Chest-level slice from an abdominal CT that extends up into the chest — axial view — soft-tissue window — 512x512 px — acquired on SOMATOM Force
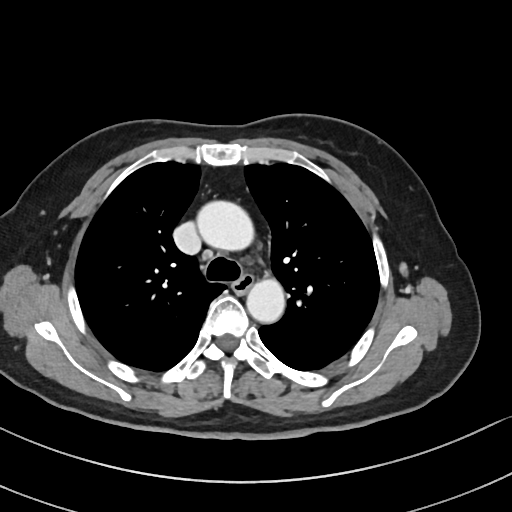

On a slice this high in the chest, this dataset labels only the esophagus and the aorta, and each is boxed only where it is labeled; the heart, lungs and other chest structures are not labeled.
<organs><organ name="aorta" x1="194" y1="199" x2="253" y2="250"/><organ name="aorta" x1="247" y1="280" x2="284" y2="324"/><organ name="esophagus" x1="232" y1="276" x2="254" y2="293"/></organs>